Abdominal CT; this slice is in the lower chest, just above the liver — axial view — W/L 400/40 HU — 512x512 px — Aquilion ONE scanner — 14 organs annotated in this scan (counted over the whole 3D scan, not this slice; an organ is boxed only where this slice passes through it)
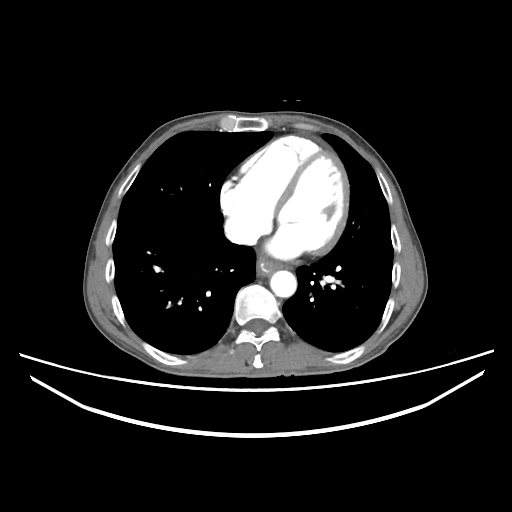
Of the structures in the chest, this dataset labels only the esophagus, the aorta and the inferior vena cava; the heart and lungs have no label.
<organs><organ name="aorta" x1="270" y1="270" x2="296" y2="297"/><organ name="inferior vena cava" x1="229" y1="228" x2="247" y2="241"/></organs>